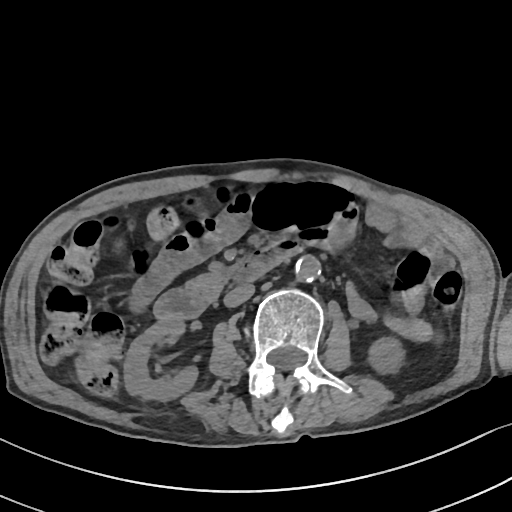

CT, abdomen/pelvis. axial view. acquired on SOMATOM Force
Box edges are left/top/right/bottom in pixels.
Organ bounding boxes:
- inferior vena cava: left=223, top=283, right=254, bottom=307
- duodenum: left=153, top=240, right=299, bottom=319
- pancreas: left=185, top=272, right=226, bottom=301
- left kidney: left=368, top=337, right=404, bottom=373
- aorta: left=295, top=255, right=320, bottom=282
- right kidney: left=124, top=318, right=197, bottom=401